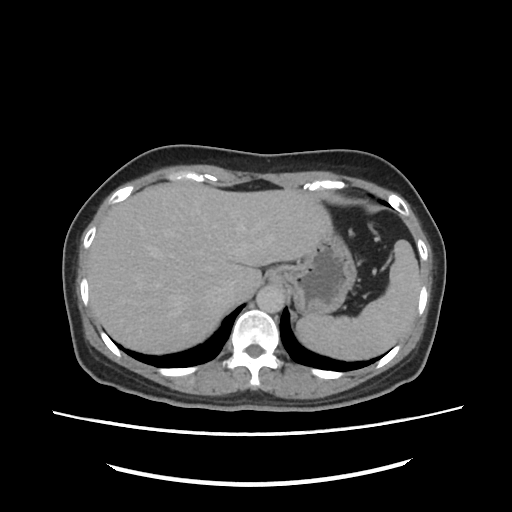
Abdominal CT — Axial slice 75/85 — W/L 400/40 HU — 512x512 px — 50-year-old female patient
Boxes: x1:y1:x2:y2 in pixels.
Organ bounding boxes:
- aorta: 257:284:286:312
- inferior vena cava: 211:282:233:302
- spleen: 297:240:421:360
- stomach: 268:234:355:314
- liver: 86:183:332:352